CT abdomen — axial view — W/L 400/40 HU — 512x512 px
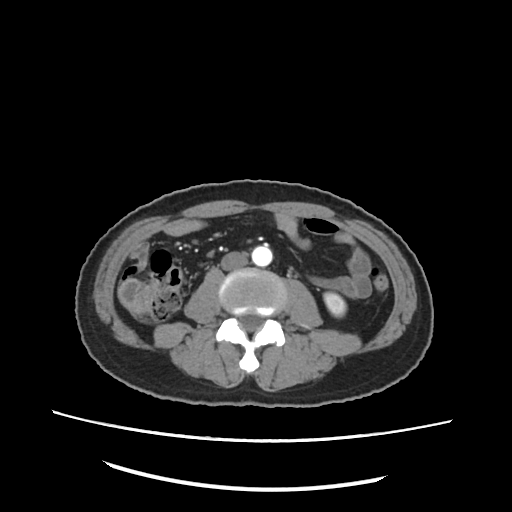
Boxes are (x1, y1, x2, y2) in pixels.
inferior vena cava: (221, 250, 248, 270)
aorta: (252, 245, 272, 266)
left kidney: (324, 293, 345, 315)